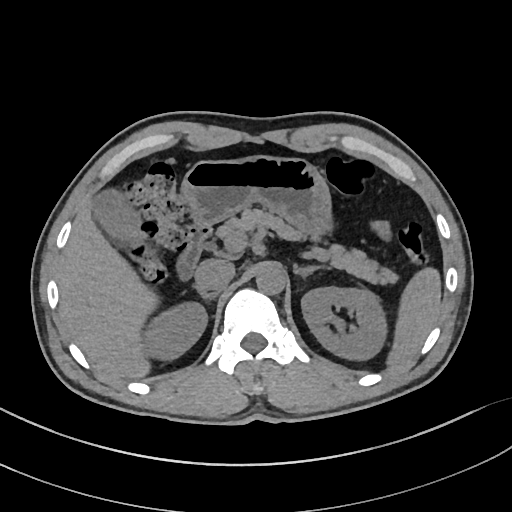

Abdominal CT · axial plane, index 176 · soft-tissue window
Boxes are (x1, y1, x2, y2) in pixels. Labeled organs on this slice: spleen at (387, 267, 441, 366), right kidney at (143, 302, 207, 360), left kidney at (301, 287, 386, 360), gall bladder at (91, 189, 140, 244), liver at (58, 203, 158, 378), stomach at (181, 156, 332, 237), aorta at (256, 263, 286, 294), inferior vena cava at (194, 259, 234, 293), pancreas at (217, 209, 397, 284), right adrenal gland at (199, 291, 216, 302), left adrenal gland at (294, 264, 329, 277), duodenum at (176, 222, 212, 279).